Abdominal CT; axial view; 15 organs annotated in this scan (a whole-scan count: organs this slice does not pass through have no box)
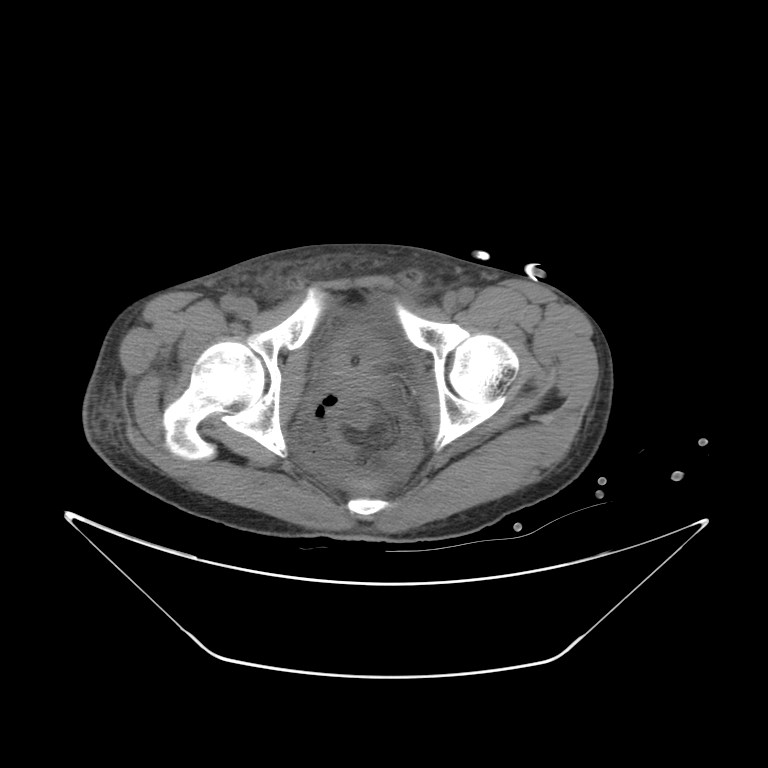 Box edges are left/top/right/bottom in pixels.
prostate/uterus: left=329, top=364, right=378, bottom=395
bladder: left=329, top=325, right=386, bottom=366